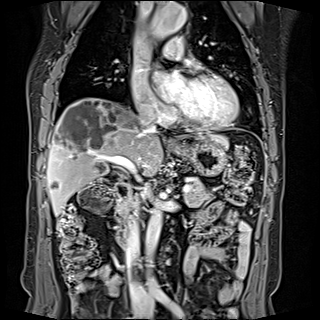

Abdominal MRI. coronal view. 320x320 px
Coordinates as <box>x1,y1,x2,y2</box> in pixels.
inferior vena cava: <box>125,201,145,305</box>
inferior vena cava: <box>137,112,154,129</box>
duodenum: <box>114,181,129,245</box>
aorta: <box>145,205,168,297</box>
aorta: <box>146,3,186,38</box>
liver: <box>46,97,227,216</box>
pancreas: <box>117,180,211,220</box>
stomach: <box>174,140,227,176</box>
esophagus: <box>172,144,177,148</box>